CT of the abdomen extending into the chest, slice through the chest — axial view
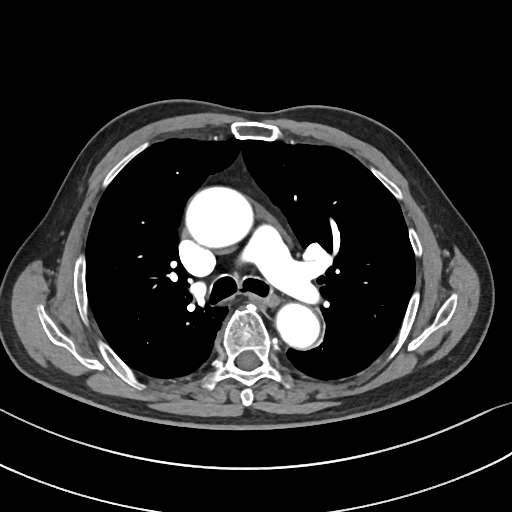
At this level of the chest no structure but the esophagus and the aorta has a label in this dataset, and those two are boxed only where they are labeled. Boxes are (x1, y1, x2, y2) in pixels. Labeled organs on this slice: esophagus at (260, 293, 279, 306), aorta at (186, 187, 253, 247), aorta at (276, 303, 319, 348).